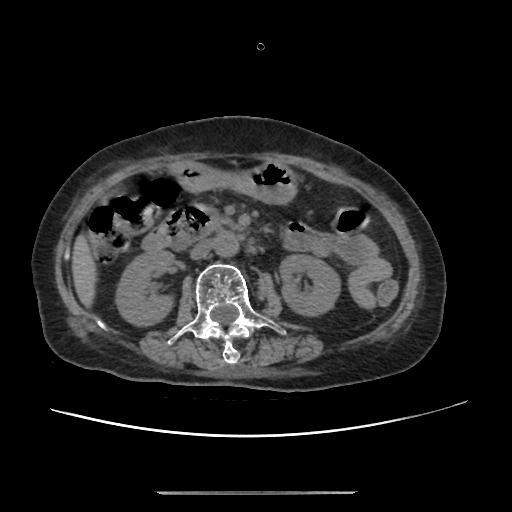

Abdominal CT · axial view · scan has 14 labeled organs (counted over the whole 3D scan, not this slice; an organ is boxed only where this slice passes through it)
<organs><organ name="stomach" x1="169" y1="161" x2="298" y2="204"/><organ name="inferior vena cava" x1="189" y1="240" x2="212" y2="259"/><organ name="liver" x1="71" y1="232" x2="97" y2="309"/><organ name="right kidney" x1="116" y1="249" x2="173" y2="325"/><organ name="duodenum" x1="141" y1="206" x2="209" y2="251"/><organ name="aorta" x1="214" y1="232" x2="239" y2="258"/><organ name="left kidney" x1="280" y1="254" x2="341" y2="316"/><organ name="pancreas" x1="207" y1="209" x2="237" y2="232"/></organs>